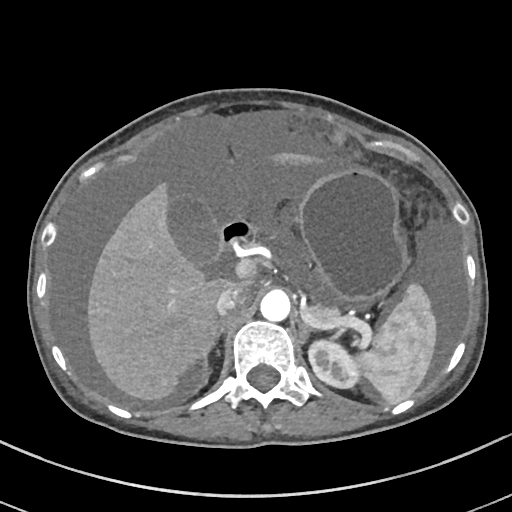

CT abdomen; axial view; 512x512 px; scan has 15 labeled organs (a whole-scan count: organs this slice does not pass through have no box)
<organs><organ name="spleen" x1="353" y1="281" x2="436" y2="403"/><organ name="left kidney" x1="307" y1="340" x2="358" y2="389"/><organ name="gall bladder" x1="166" y1="194" x2="218" y2="265"/><organ name="liver" x1="88" y1="153" x2="321" y2="399"/><organ name="stomach" x1="298" y1="170" x2="405" y2="301"/><organ name="aorta" x1="260" y1="289" x2="290" y2="320"/><organ name="inferior vena cava" x1="215" y1="287" x2="246" y2="315"/><organ name="pancreas" x1="307" y1="295" x2="343" y2="322"/><organ name="right adrenal gland" x1="201" y1="316" x2="229" y2="359"/><organ name="left adrenal gland" x1="299" y1="321" x2="312" y2="341"/><organ name="duodenum" x1="218" y1="217" x2="253" y2="252"/></organs>